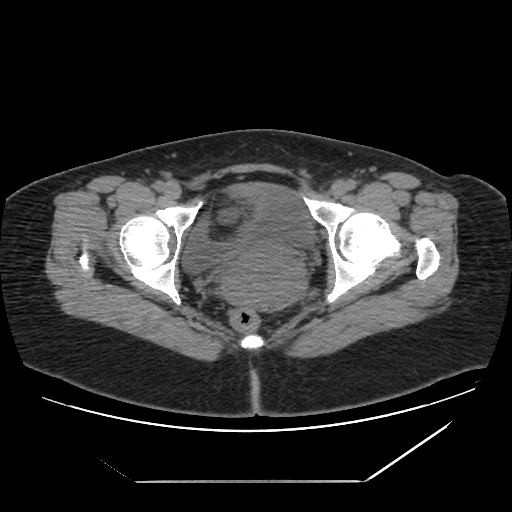
Computed tomography, abdomen · axial view · soft-tissue window · 512x512 px · scan has 15 labeled organs (a whole-scan count: organs this slice does not pass through have no box)
{"organs":{"bladder":[182,183,316,273],"prostate/uterus":[222,252,301,309]}}